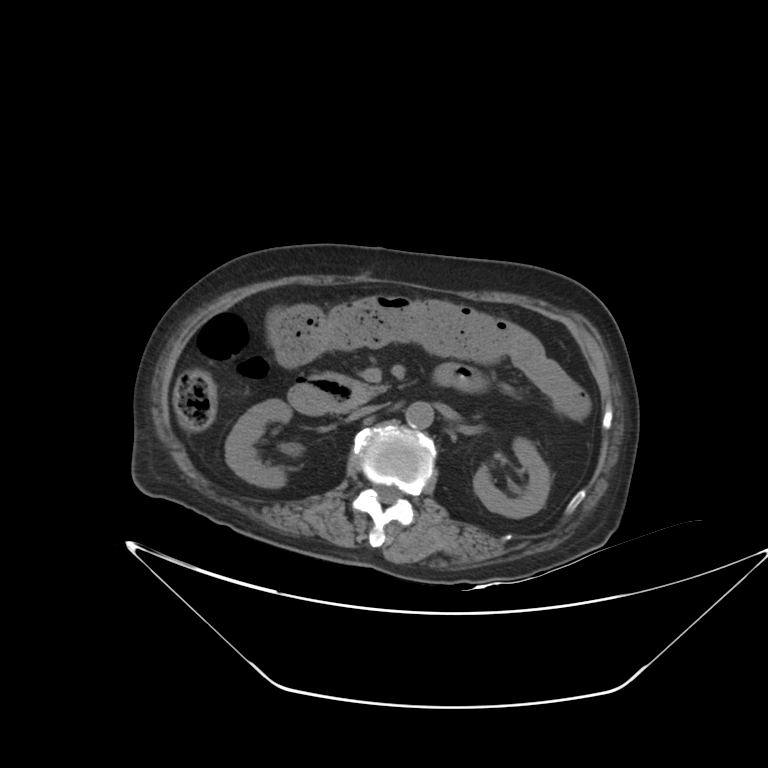 Abdominal CT — Axial slice 67/105 — Brilliance16 scanner — scan has 15 labeled organs (a whole-scan count: organs this slice does not pass through have no box)
Box edges are left/top/right/bottom in pixels.
right kidney: left=225, top=399, right=291, bottom=487
left kidney: left=473, top=438, right=550, bottom=518
aorta: left=405, top=401, right=433, bottom=428
inferior vena cava: left=350, top=404, right=382, bottom=419
pancreas: left=341, top=377, right=388, bottom=401
duodenum: left=288, top=376, right=360, bottom=415